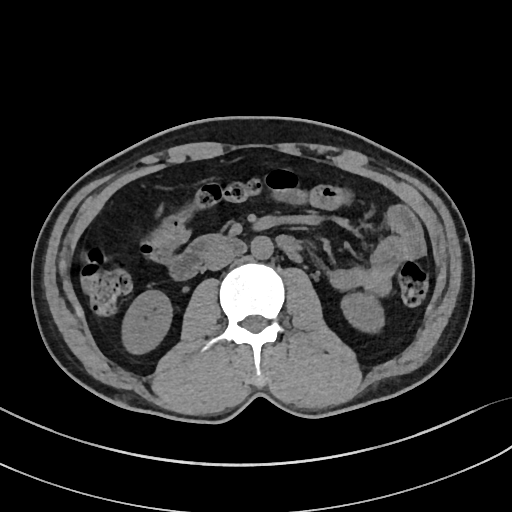 CT abdomen · axial view · W/L 400/40 HU
<organs><organ name="right kidney" x1="120" y1="289" x2="173" y2="354"/><organ name="left kidney" x1="339" y1="291" x2="385" y2="331"/><organ name="aorta" x1="251" y1="237" x2="273" y2="260"/><organ name="inferior vena cava" x1="204" y1="247" x2="235" y2="271"/><organ name="duodenum" x1="166" y1="233" x2="302" y2="281"/></organs>